CT of the abdomen extending into the chest, slice through the chest · Axial slice 117/122 · soft-tissue window · 512x512 px · scan has 15 labeled organs (that count is for the whole scan; organs this slice misses have no box)
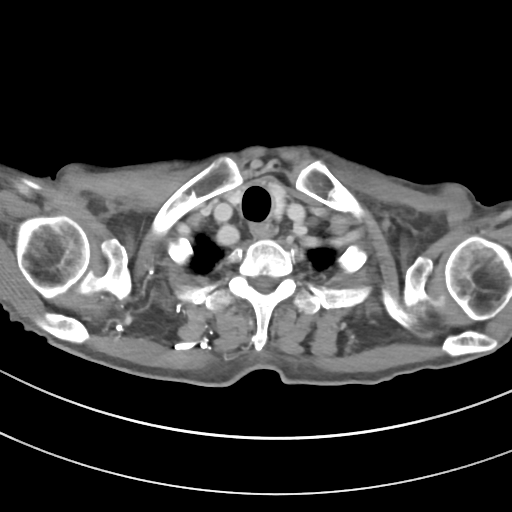
At this level of the chest this dataset labels only the esophagus and the aorta, and each is boxed only where it is labeled; the heart and lungs are never labeled. Box edges are left/top/right/bottom in pixels. Labeled organs on this slice: esophagus at left=250, top=224, right=273, bottom=239.